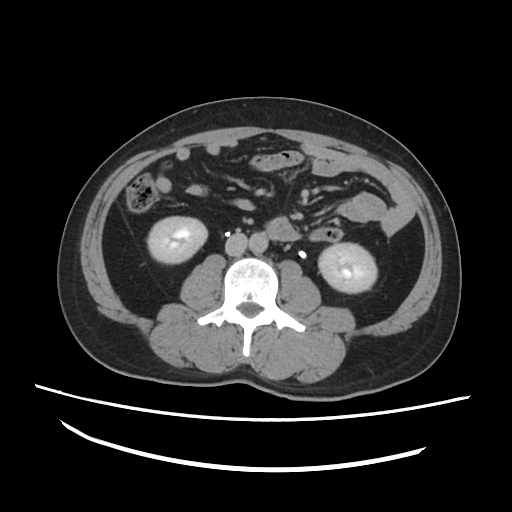 Abdominal CT; Axial slice 56/97; 512x512 px; 44-year-old male patient; acquired on Aquilion ONE
<organs><organ name="aorta" x1="247" y1="233" x2="269" y2="253"/><organ name="right kidney" x1="147" y1="217" x2="204" y2="262"/><organ name="left kidney" x1="318" y1="242" x2="376" y2="293"/><organ name="inferior vena cava" x1="226" y1="232" x2="247" y2="254"/></organs>